Computed tomography, abdomen; axial view; SOMATOM Force scanner
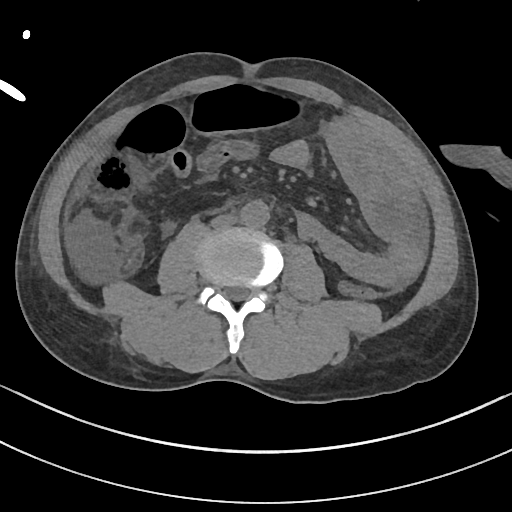 Boxes: x1:y1:x2:y2 in pixels.
aorta: 240:200:269:226
inferior vena cava: 211:214:236:226